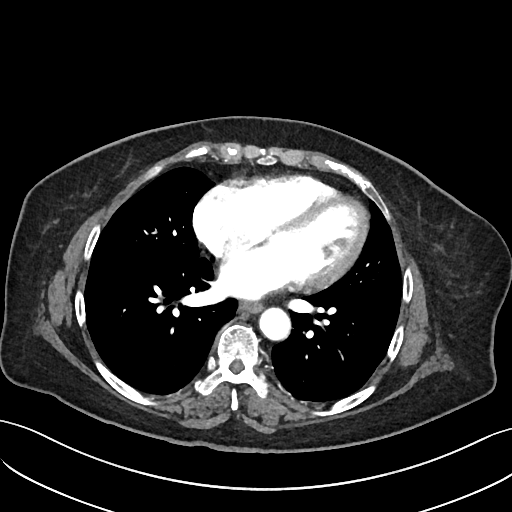

Abdominal CT; this slice is in the lower chest, just above the liver — axial view — 512x512 px
Of the structures in the chest, this dataset labels only the esophagus, the aorta and the inferior vena cava; the heart and lungs have no label.
Box edges are left/top/right/bottom in pixels.
Organ bounding boxes:
- esophagus: left=239, top=301, right=261, bottom=314
- aorta: left=259, top=309, right=290, bottom=341